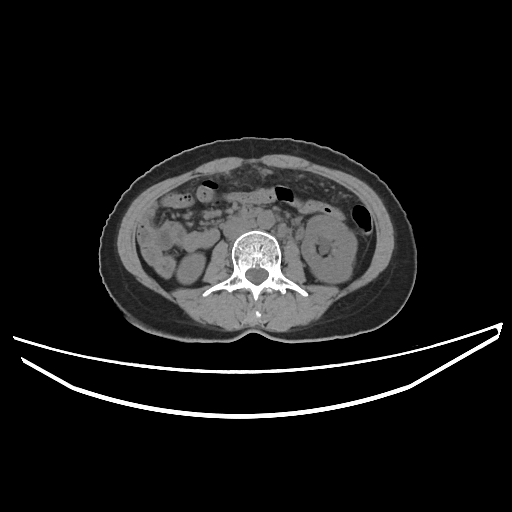 CT abdomen. axial view. W/L 400/40 HU
Boxes are (x1, y1, x2, y2) in pixels.
right kidney: (176, 253, 205, 284)
aorta: (257, 211, 274, 228)
inferior vena cava: (223, 219, 250, 238)
left kidney: (301, 215, 356, 283)